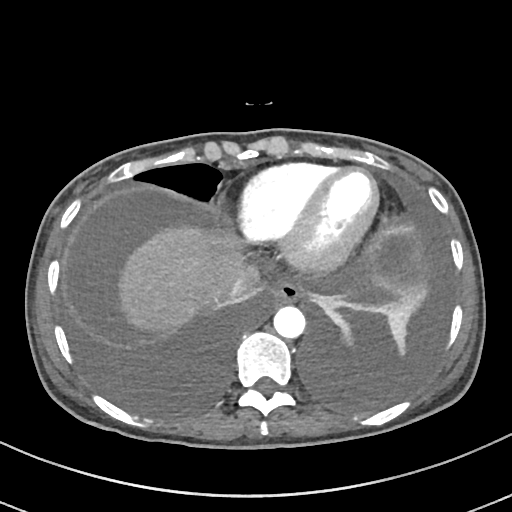 Computed tomography, abdomen · Axial slice 209/237 · abdomen soft-tissue window
{"organs":{"esophagus":[269,280,301,303],"liver":[118,224,245,334],"aorta":[273,306,305,338],"inferior vena cava":[223,265,260,301]}}